Abdominal CT — axial view — soft-tissue window (W 400 / L 40) — 55-year-old male patient
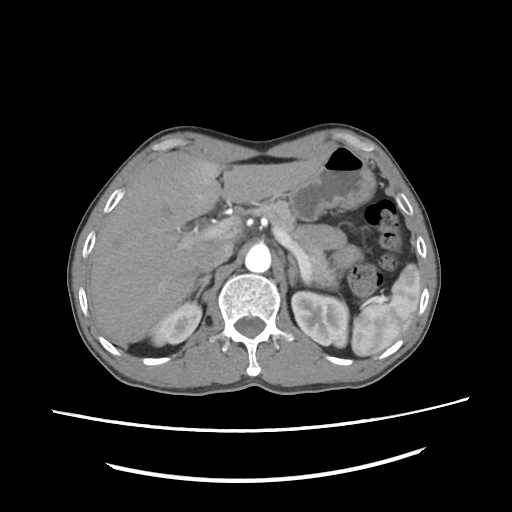
<organs><organ name="pancreas" x1="250" y1="198" x2="338" y2="289"/><organ name="stomach" x1="289" y1="144" x2="374" y2="219"/><organ name="right kidney" x1="149" y1="301" x2="202" y2="346"/><organ name="inferior vena cava" x1="195" y1="240" x2="234" y2="272"/><organ name="left adrenal gland" x1="289" y1="255" x2="298" y2="285"/><organ name="aorta" x1="245" y1="244" x2="271" y2="272"/><organ name="left kidney" x1="291" y1="292" x2="348" y2="346"/><organ name="spleen" x1="351" y1="263" x2="421" y2="356"/><organ name="right adrenal gland" x1="188" y1="275" x2="211" y2="299"/><organ name="liver" x1="88" y1="151" x2="327" y2="345"/></organs>